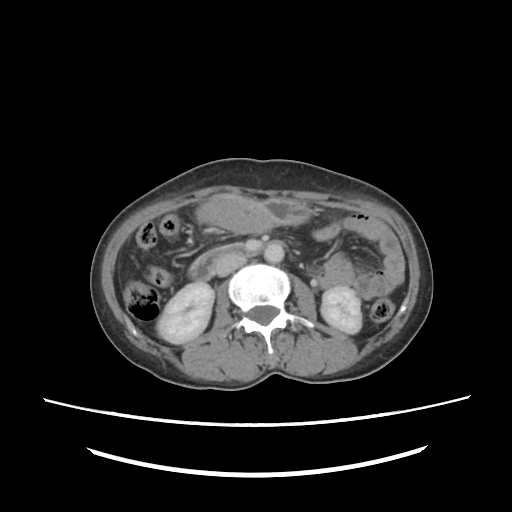
CT, abdomen/pelvis; axial view; 512x512 px; 15 organs annotated in this scan (a whole-scan count: organs this slice does not pass through have no box)
{"organs":{"right kidney":[157,282,213,345],"left kidney":[320,286,363,333],"stomach":[196,194,311,233],"aorta":[264,240,284,264],"inferior vena cava":[214,252,246,276],"duodenum":[189,243,261,281]}}